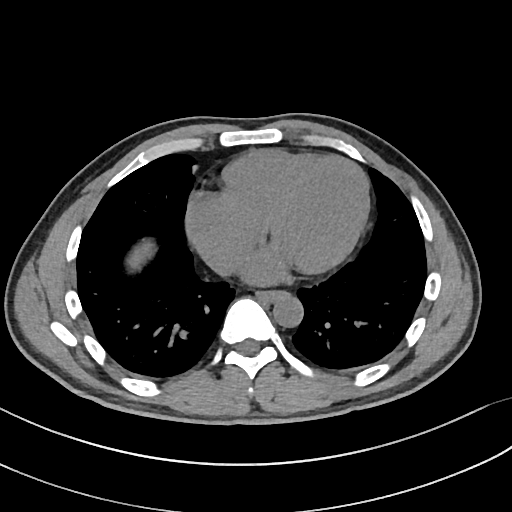 Abdominal CT · axial view · soft-tissue window (W 400 / L 40)
Boxes: x1:y1:x2:y2 in pixels. The annotated organs in this slice are: esophagus at 256:289:285:301, liver at 128:243:152:269, aorta at 272:292:303:327, inferior vena cava at 209:252:239:278.